CT abdomen. Axial slice 72/126. soft-tissue window (W 400 / L 40). 45-year-old male patient
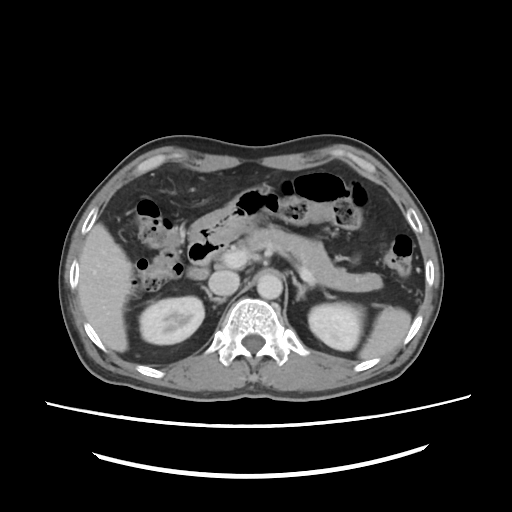 Each box given as x1,y1,x2,y2.
Organ bounding boxes:
- stomach: x1=190, y1=182, x2=279, y2=247
- left kidney: x1=307, y1=301, x2=363, y2=350
- right kidney: x1=138, y1=295, x2=204, y2=344
- liver: x1=78, y1=222, x2=131, y2=352
- spleen: x1=361, y1=307, x2=410, y2=360
- duodenum: x1=186, y1=237, x2=225, y2=280
- inferior vena cava: x1=209, y1=270, x2=239, y2=296
- aorta: x1=257, y1=270, x2=283, y2=298
- left adrenal gland: x1=291, y1=276, x2=306, y2=300
- pancreas: x1=230, y1=226, x2=381, y2=291
- right adrenal gland: x1=201, y1=286, x2=225, y2=304